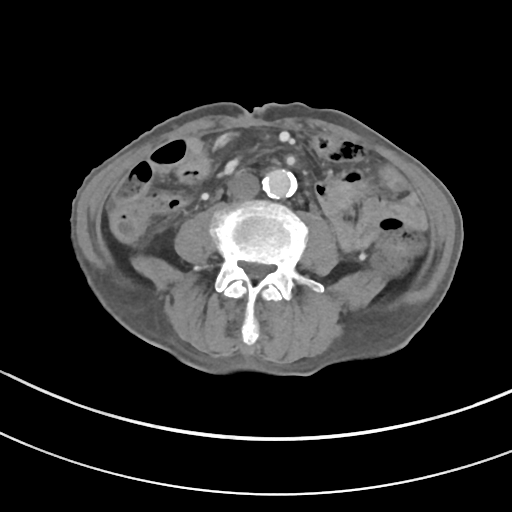 CT abdomen · axial view
{"organs":{"aorta":[262,168,297,198],"inferior vena cava":[228,171,259,199]}}